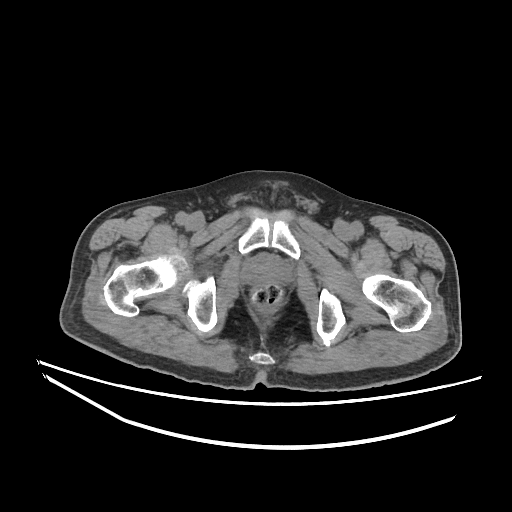 CT abdomen — axial view — W/L 400/40 HU — 68-year-old male patient — scan has 15 labeled organs (counted over the whole 3D scan, not this slice; an organ is boxed only where this slice passes through it)
Bounding boxes as [x1, y1, x2, y2] in pixel coordinates.
Organ bounding boxes:
- prostate/uterus: [242, 254, 291, 287]